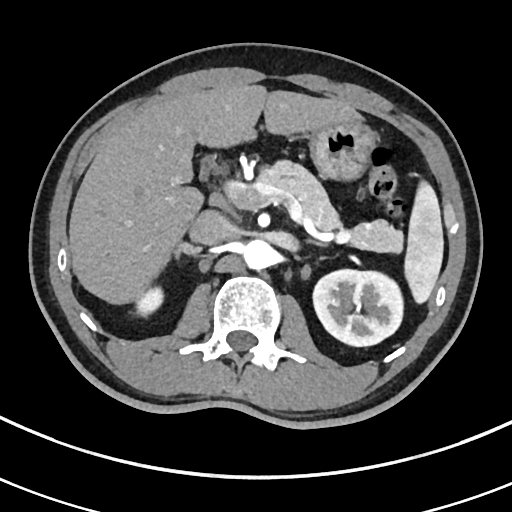
CT, abdomen/pelvis. axial plane, index 145. soft-tissue window (W 400 / L 40). 512x512 px
<organs><organ name="stomach" x1="310" y1="124" x2="377" y2="179"/><organ name="aorta" x1="241" y1="240" x2="274" y2="269"/><organ name="left adrenal gland" x1="309" y1="241" x2="328" y2="247"/><organ name="right adrenal gland" x1="175" y1="242" x2="201" y2="262"/><organ name="liver" x1="69" y1="84" x2="365" y2="306"/><organ name="spleen" x1="403" y1="180" x2="443" y2="305"/><organ name="pancreas" x1="260" y1="162" x2="402" y2="255"/><organ name="inferior vena cava" x1="191" y1="210" x2="234" y2="245"/><organ name="left kidney" x1="314" y1="270" x2="401" y2="345"/><organ name="right kidney" x1="135" y1="287" x2="161" y2="314"/></organs>